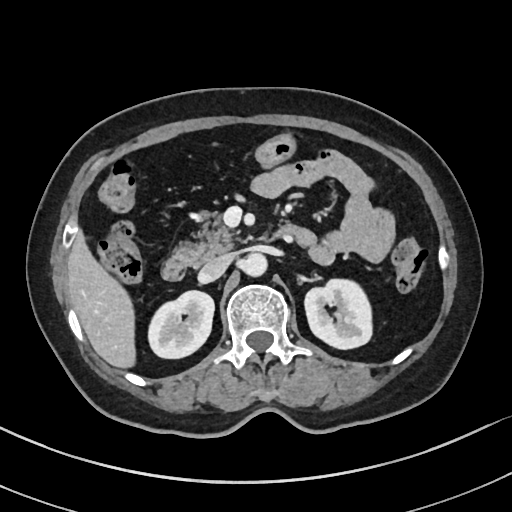 CT, abdomen/pelvis; axial view; soft-tissue window
{"organs":{"right kidney":[148,290,214,358],"left kidney":[305,277,373,348],"liver":[68,235,135,366],"aorta":[244,252,268,276],"inferior vena cava":[199,253,233,281],"pancreas":[173,214,240,264],"duodenum":[160,225,313,280]}}